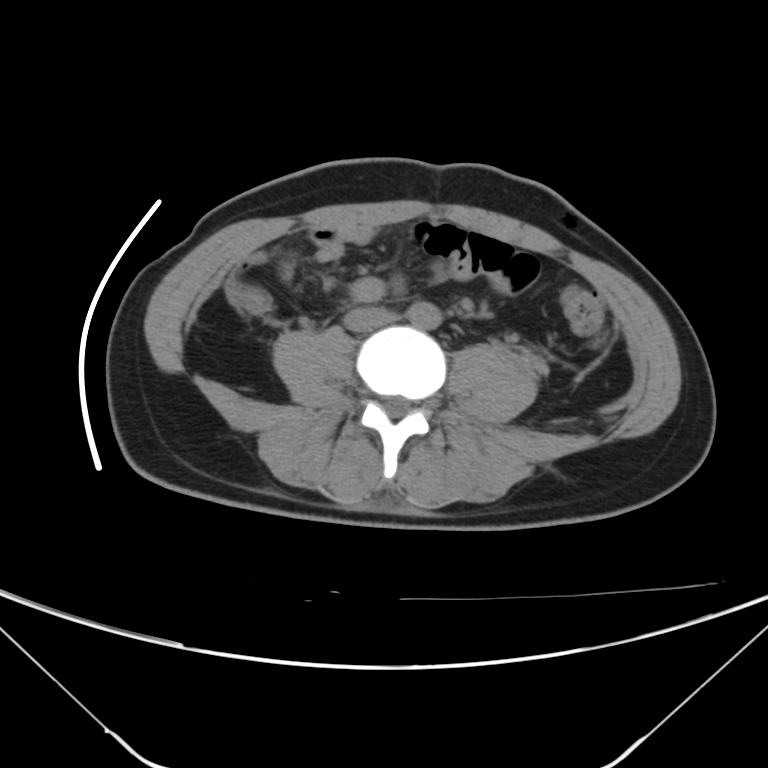
CT, abdomen/pelvis · axial view · abdomen soft-tissue window
Coordinates as <box>x1,y1,x2,y2</box> in pixels.
Organ bounding boxes:
- aorta: <box>407,301,442,329</box>
- inferior vena cava: <box>343,306,394,331</box>